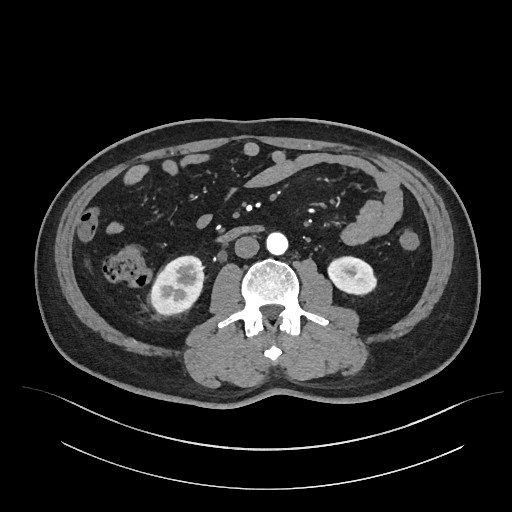 CT, abdomen/pelvis — axial view — W/L 400/40 HU — 15 organs annotated in this scan (that count is for the whole scan; organs this slice misses have no box)
Bounding boxes as [x1, y1, x2, y2] in pixel coordinates.
Organ bounding boxes:
- right kidney: [151, 256, 203, 315]
- left kidney: [328, 255, 376, 293]
- aorta: [266, 231, 287, 254]
- inferior vena cava: [234, 235, 259, 258]
- duodenum: [216, 225, 266, 242]